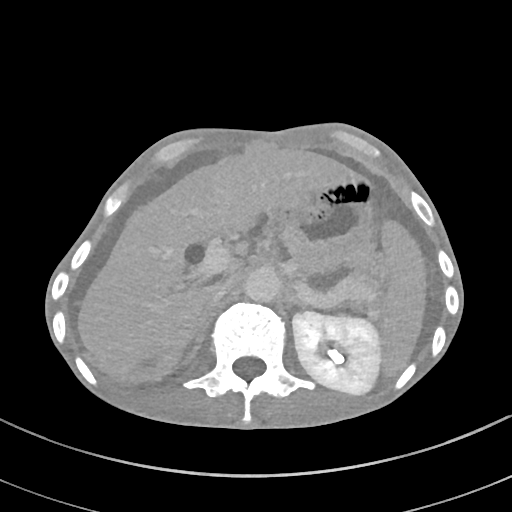
CT abdomen. axial view. abdomen soft-tissue window
<organs><organ name="spleen" x1="380" y1="221" x2="426" y2="376"/><organ name="left kidney" x1="292" y1="311" x2="381" y2="394"/><organ name="liver" x1="78" y1="148" x2="365" y2="375"/><organ name="stomach" x1="275" y1="194" x2="375" y2="272"/><organ name="aorta" x1="244" y1="267" x2="280" y2="302"/><organ name="inferior vena cava" x1="203" y1="279" x2="231" y2="304"/><organ name="pancreas" x1="318" y1="275" x2="376" y2="308"/><organ name="left adrenal gland" x1="286" y1="293" x2="305" y2="307"/></organs>